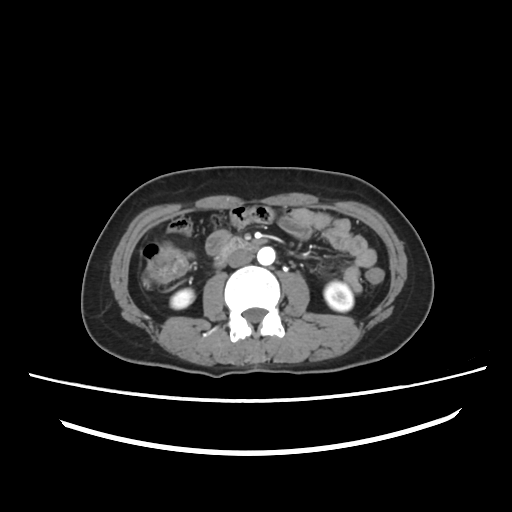 CT, abdomen/pelvis. Axial slice 58/123. scan has 15 labeled organs (a whole-scan count: organs this slice does not pass through have no box)
Boxes are (x1, y1, x2, y2) in pixels.
Organ bounding boxes:
- duodenum: (215, 237, 257, 264)
- aorta: (257, 247, 275, 265)
- inferior vena cava: (227, 250, 253, 267)
- left kidney: (324, 281, 353, 311)
- right kidney: (170, 289, 194, 309)